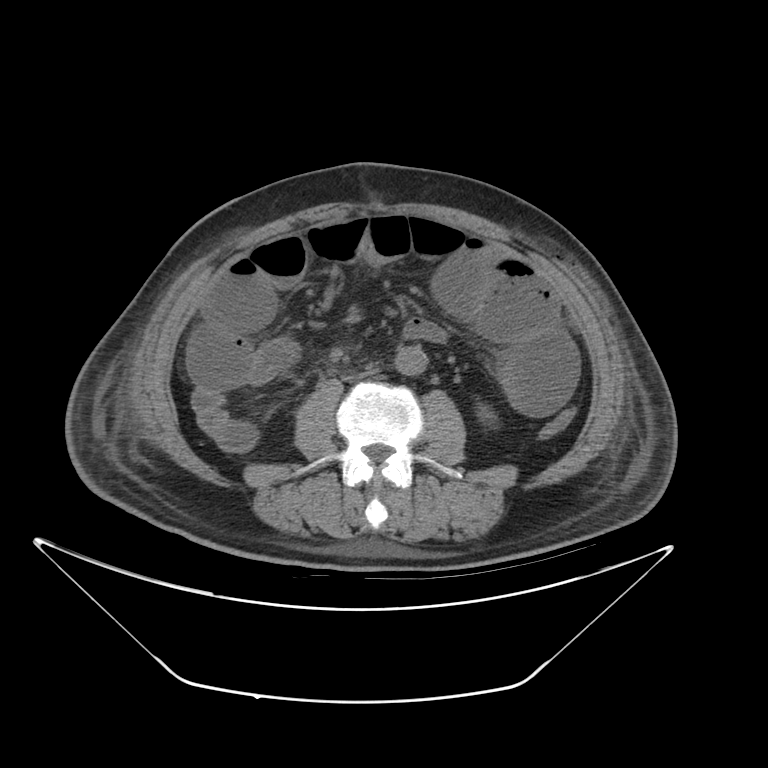

Computed tomography, abdomen · Axial slice 52/99 · 768x768 px · acquired on Brilliance16
Organ boxes in pixel coordinates; each row gives the top-left (x1, y1) and bottom-right (x2, y2) corners.
| organ | x1 | y1 | x2 | y2 |
|---|---|---|---|---|
| left kidney | 476 | 406 | 491 | 421 |
| aorta | 395 | 347 | 427 | 376 |
| inferior vena cava | 342 | 368 | 376 | 383 |